Abdominal CT. axial view
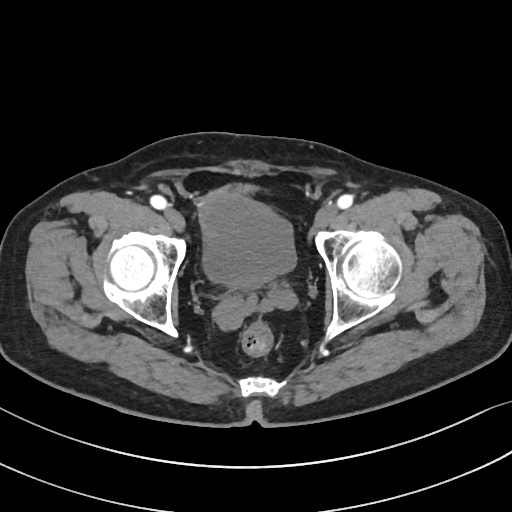 Bounding boxes as [x1, y1, x2, y2] in pixel coordinates.
Organ bounding boxes:
- prostate/uterus: [233, 279, 263, 289]
- bladder: [202, 190, 296, 285]